Computed tomography, abdomen. Axial slice 151/228. soft-tissue window. 15 organs annotated in this scan (that count is for the whole scan; organs this slice misses have no box)
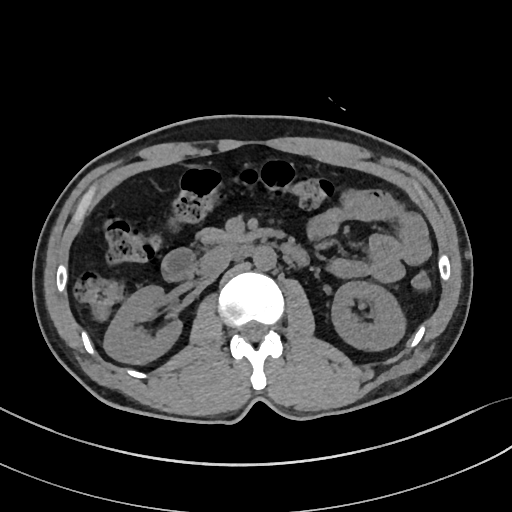

Boxes: x1 y1 x2 y2 (pixel coords, space-separated).
right kidney: 103 286 183 364
aorta: 253 246 276 271
duodenum: 162 242 307 280
inferior vena cava: 198 248 231 279
pancreas: 194 227 254 244
left kidney: 330 280 404 351